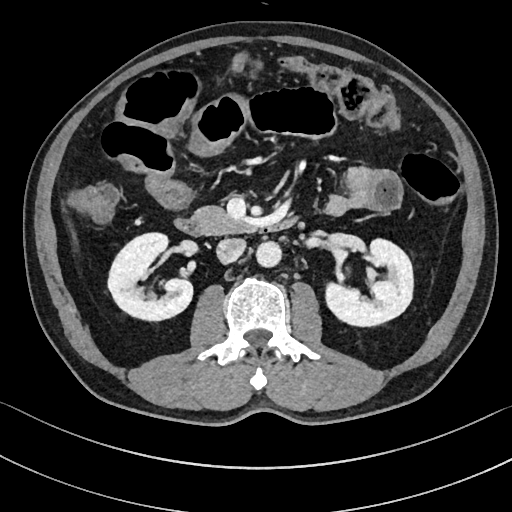 Computed tomography, abdomen · axial view · W/L 400/40 HU · 15 organs annotated in this scan (that count is for the whole scan; organs this slice misses have no box)
<organs><organ name="right kidney" x1="107" y1="231" x2="192" y2="319"/><organ name="left kidney" x1="324" y1="237" x2="413" y2="326"/><organ name="aorta" x1="256" y1="241" x2="282" y2="266"/><organ name="inferior vena cava" x1="217" y1="238" x2="246" y2="264"/><organ name="pancreas" x1="194" y1="208" x2="250" y2="233"/><organ name="duodenum" x1="175" y1="217" x2="296" y2="235"/></organs>